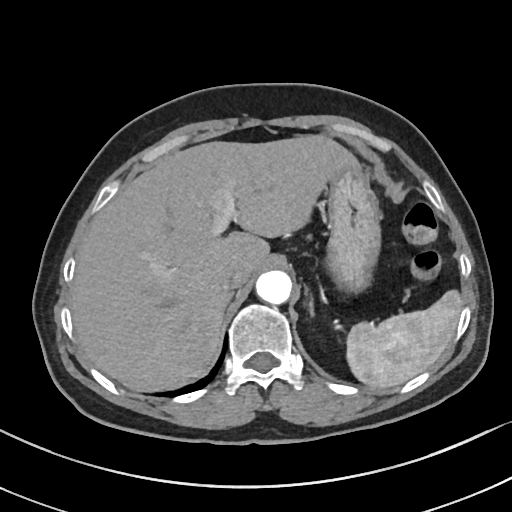 Abdominal CT — axial plane, index 174 — acquired on SOMATOM Force
Organ boxes in pixel coordinates; each row gives the top-left (x1, y1) and bottom-right (x2, y2) corners.
| organ | x1 | y1 | x2 | y2 |
|---|---|---|---|---|
| spleen | 346 | 290 | 461 | 388 |
| liver | 71 | 136 | 358 | 391 |
| stomach | 325 | 165 | 379 | 291 |
| aorta | 256 | 270 | 292 | 305 |
| inferior vena cava | 221 | 266 | 250 | 291 |
| left adrenal gland | 309 | 299 | 314 | 318 |